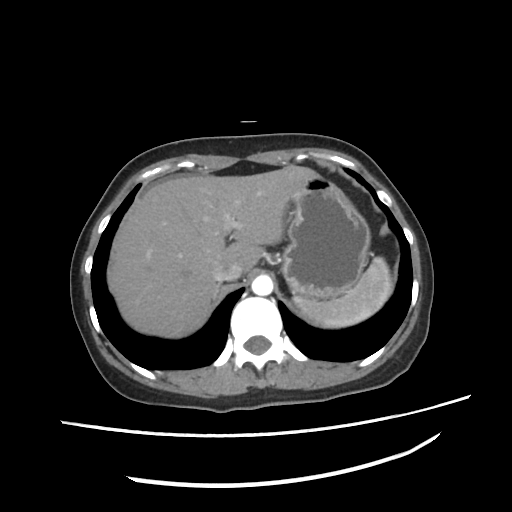
CT abdomen; axial view; soft-tissue window (W 400 / L 40); 47-year-old female patient; 15 organs annotated in this scan (that count is for the whole scan; organs this slice misses have no box)
Box edges are left/top/right/bottom in pixels.
inferior vena cava: left=212, top=263, right=244, bottom=281
spleen: left=290, top=255, right=392, bottom=327
right adrenal gland: left=213, top=283, right=220, bottom=300
stomach: left=282, top=177, right=371, bottom=302
liver: left=109, top=165, right=321, bottom=337
aorta: left=251, top=275, right=273, bottom=295